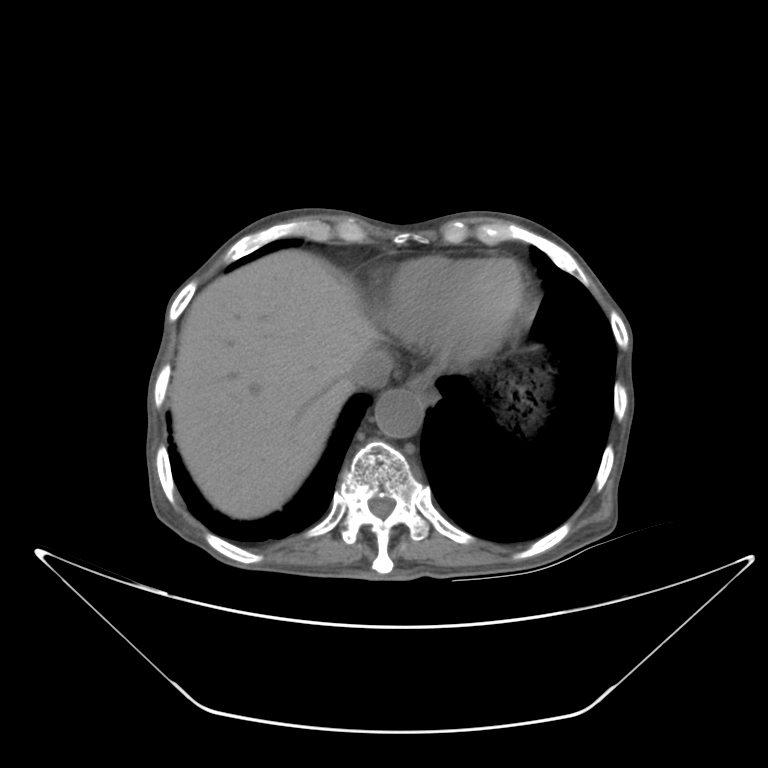

CT, abdomen/pelvis · axial view · 768x768 px · 68-year-old male patient · acquired on Brilliance16
Boxes are (x1, y1, x2, y2) in pixels.
Organ bounding boxes:
- esophagus: (421, 389, 437, 400)
- liver: (171, 248, 376, 517)
- stomach: (495, 350, 549, 422)
- aorta: (374, 390, 423, 438)
- inferior vena cava: (351, 349, 393, 387)